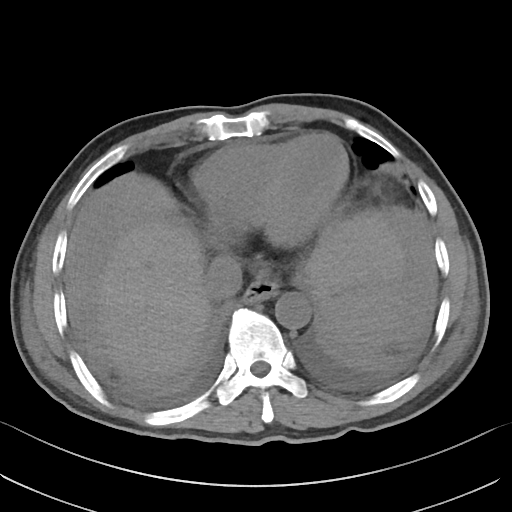 Computed tomography, abdomen · axial view · 512x512 px · scan has 15 labeled organs (counted over the whole 3D scan, not this slice; an organ is boxed only where this slice passes through it)
<organs><organ name="liver" x1="100" y1="211" x2="404" y2="378"/><organ name="aorta" x1="275" y1="292" x2="311" y2="328"/><organ name="spleen" x1="326" y1="286" x2="394" y2="348"/><organ name="inferior vena cava" x1="204" y1="255" x2="242" y2="299"/><organ name="esophagus" x1="243" y1="279" x2="278" y2="303"/></organs>